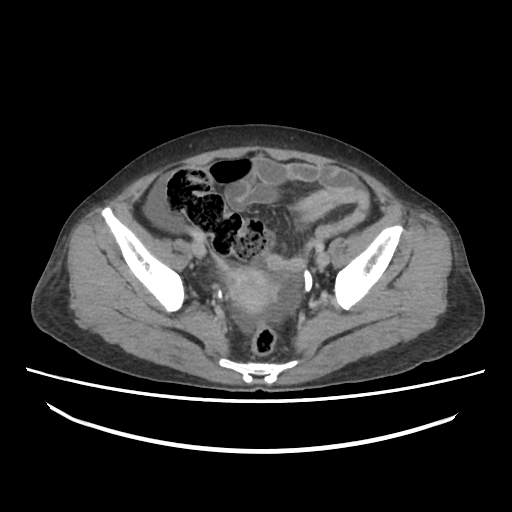 CT abdomen — axial view — abdomen soft-tissue window — 71-year-old female patient
Each box given as x1,y1,x2,y2.
prostate/uterus: x1=227, y1=267, x2=273, y2=309